Magnetic resonance imaging, abdomen — axial view — 576x468 px — Prisma scanner
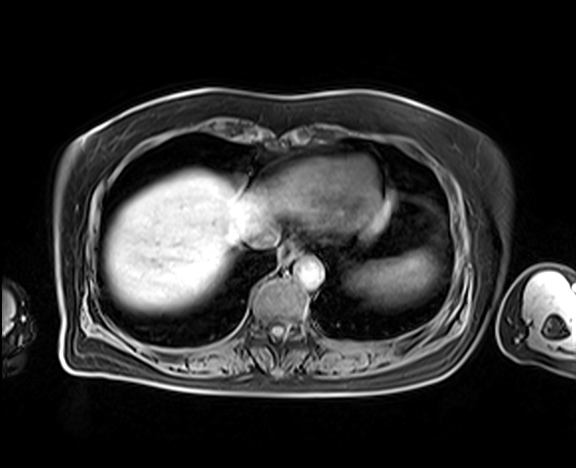 Each box given as x1,y1,x2,y2. 5 labeled organs on this slice — spleen at x1=356, y1=252, x2=434, y2=300; esophagus at x1=280, y1=244, x2=298, y2=262; liver at x1=105, y1=170, x2=389, y2=308; aorta at x1=294, y1=257, x2=324, y2=289; inferior vena cava at x1=243, y1=226, x2=279, y2=248.